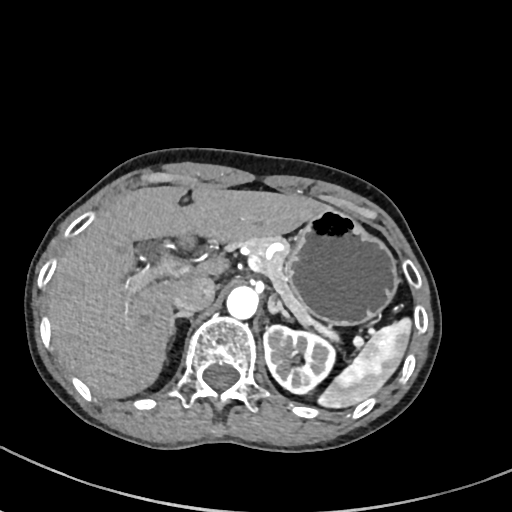

Abdominal CT; axial view; 15 organs annotated in this scan (that count is for the whole scan; organs this slice misses have no box)
Coordinates as <box>x1,y1,x2,y2</box> in pixels.
Organ bounding boxes:
- spleen: <box>316,316,412,410</box>
- left kidney: <box>263,325,335,393</box>
- liver: <box>50,185,331,399</box>
- stomach: <box>285,208,397,326</box>
- aorta: <box>225,286,258,320</box>
- inferior vena cava: <box>172,277,215,314</box>
- pancreas: <box>240,236,310,324</box>
- right adrenal gland: <box>168,313,191,342</box>
- left adrenal gland: <box>267,295,292,322</box>
- duodenum: <box>179,236,194,247</box>